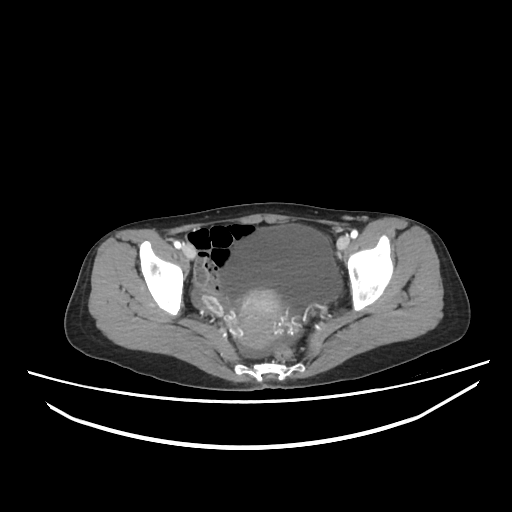 CT, abdomen/pelvis · Axial slice 13/114 · soft-tissue window · Aquilion ONE scanner
Boxes: x1 y1 x2 y2 (pixel coords, space-separated).
Organ bounding boxes:
- bladder: 220 224 342 307
- prostate/uterus: 234 289 284 348